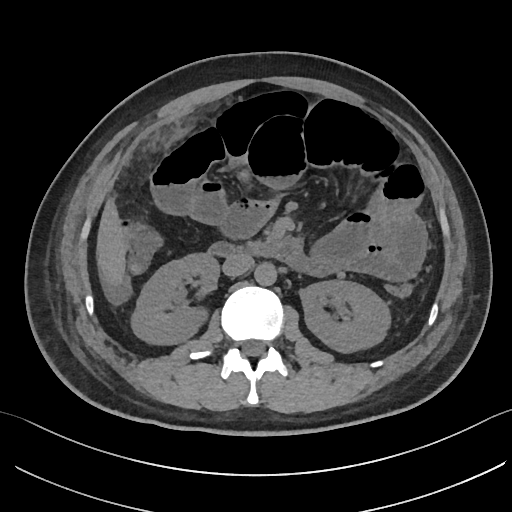
Computed tomography, abdomen. axial view
Boxes: x1 y1 x2 y2 (pixel coords, space-separated).
Organ bounding boxes:
- aorta: 254 263 277 286
- inferior vena cava: 222 254 254 276
- pancreas: 247 242 265 248
- right kidney: 131 254 217 346
- liver: 95 195 127 287
- duodenum: 207 234 302 264
- left kidney: 300 280 390 353